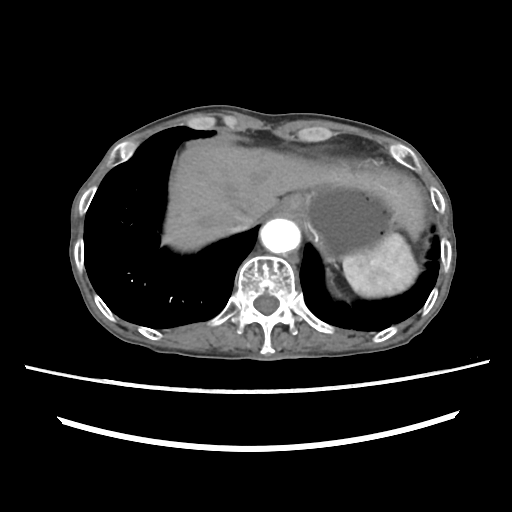 Abdominal CT; axial view
Boxes are (x1, y1, x2, y2) in pixels.
Organ bounding boxes:
- spleen: (342, 234, 418, 297)
- esophagus: (272, 194, 306, 216)
- liver: (163, 139, 425, 251)
- stomach: (300, 184, 400, 260)
- aorta: (260, 218, 300, 253)
- inferior vena cava: (216, 210, 249, 235)